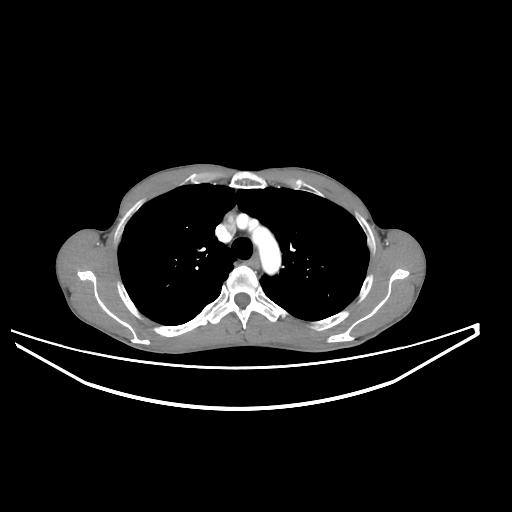

Chest-level CT slice, above the liver and spleen — axial view — 512x512 px
At this level of the chest no structure but the esophagus and the aorta has a label in this dataset, and those two are boxed only where they are labeled.
Bounding boxes in pixels, one row per box: x1, y1 is the top-left corner and x2, y2 the bottom-right.
| organ | x1 | y1 | x2 | y2 |
|---|---|---|---|---|
| esophagus | 248 | 256 | 259 | 268 |
| aorta | 252 | 226 | 281 | 274 |